Abdominal CT; this slice is in the lower chest, just above the liver — Axial slice 209/213 — W/L 400/40 HU
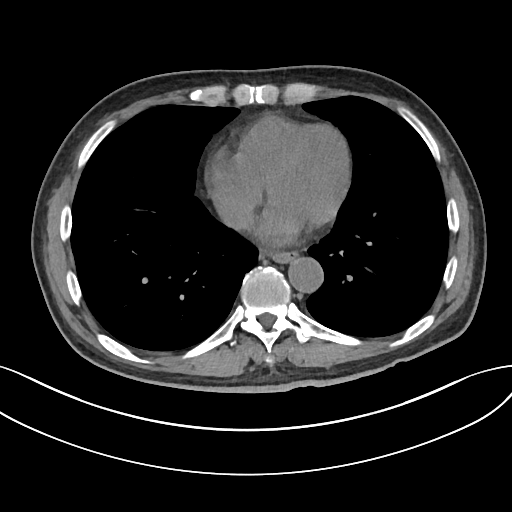

The heart and lungs are never labeled in this dataset, so they have no box on this slice. Box edges are left/top/right/bottom in pixels. 3 labeled organs on this slice — aorta at left=288, top=258, right=323, bottom=293; esophagus at left=270, top=252, right=298, bottom=264; inferior vena cava at left=217, top=198, right=252, bottom=229.